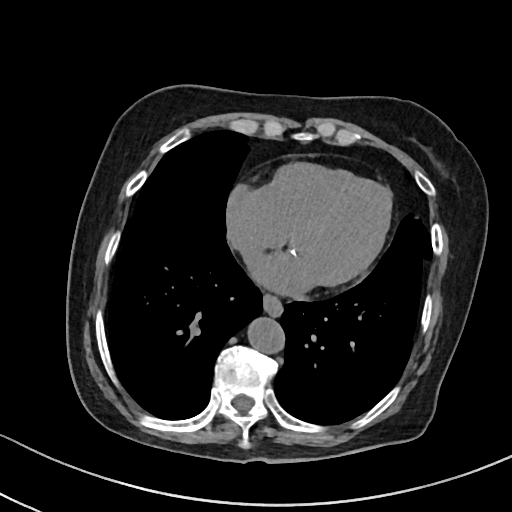
Abdominal CT; this slice is in the lower chest, just above the liver · axial view · 512x512 px · SOMATOM Force scanner · 15 organs annotated in this scan (counted over the whole 3D scan, not this slice; an organ is boxed only where this slice passes through it)
Of the structures in the chest, this dataset labels only the esophagus, the aorta and the inferior vena cava; the heart and lungs have no label.
{"organs":{"esophagus":[262,295,282,317],"aorta":[249,318,285,354]}}